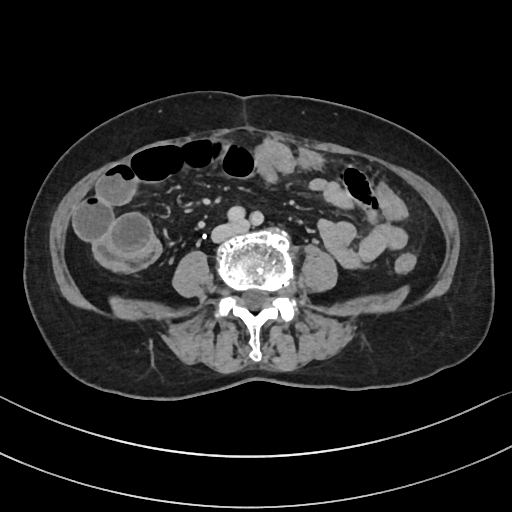

CT, abdomen/pelvis — Axial slice 98/212 — soft-tissue window (W 400 / L 40)
Boxes are (x1, y1, x2, y2) in pixels.
Organ bounding boxes:
- inferior vena cava: (214, 223, 241, 240)